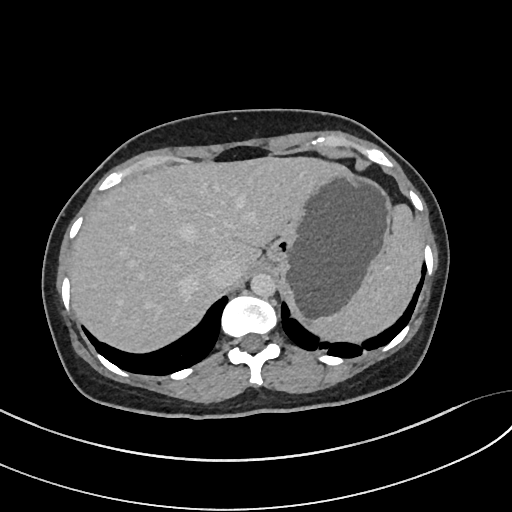

Abdominal CT — axial plane, index 184 — W/L 400/40 HU — 512x512 px
Coordinates as <box>x1,y1,x2,y2</box> in pixels.
Organ bounding boxes:
- liver: <box>70,156,349,351</box>
- spleen: <box>309,204,421,344</box>
- inferior vena cava: <box>207,258,240,286</box>
- aorta: <box>250,273,276,298</box>
- stomach: <box>264,171,391,322</box>